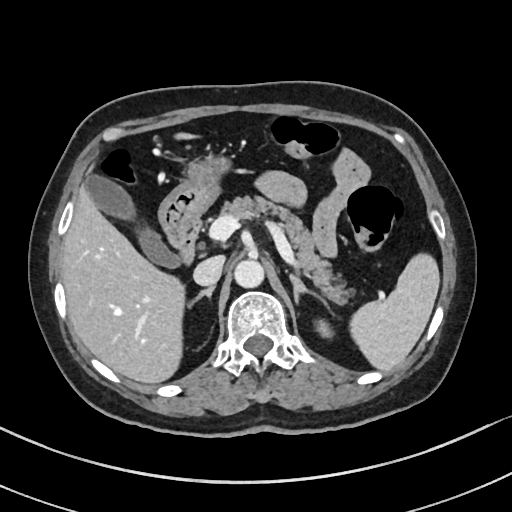
CT abdomen; axial view; 512x512 px
{"organs":{"spleen":[350,253,439,369],"left kidney":[316,319,330,338],"gall bladder":[84,174,180,267],"liver":[61,133,195,383],"stomach":[158,156,225,247],"aorta":[234,259,264,287],"inferior vena cava":[193,255,225,286],"pancreas":[214,194,357,303],"right adrenal gland":[186,286,213,310],"left adrenal gland":[289,272,330,308],"duodenum":[177,216,200,264]}}